Chest-level CT slice, above the liver and spleen · axial plane, index 113 · 15 organs annotated in this scan (that count is for the whole scan; organs this slice misses have no box)
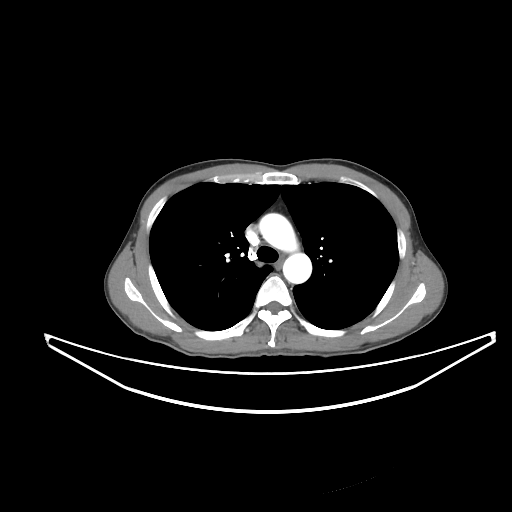
On a slice this high in the chest, this dataset labels only the esophagus and the aorta, and each is boxed only where it is labeled; the heart, lungs and other chest structures are not labeled.
Bounding boxes as [x1, y1, x2, y2] in pixel coordinates.
esophagus: [276, 256, 283, 271]
aorta: [259, 213, 311, 283]